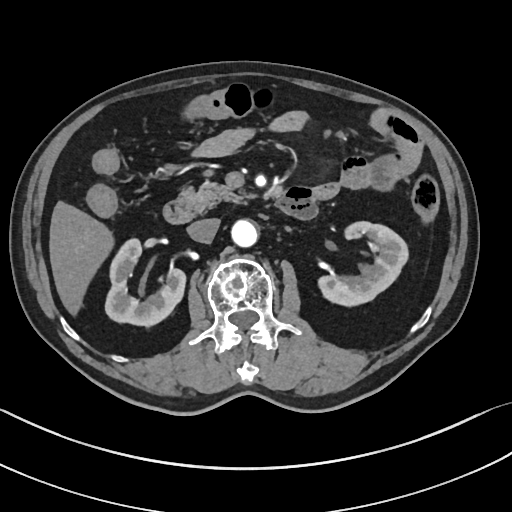

CT abdomen — Axial slice 142/306
Organ boxes in pixel coordinates; each row gives the top-left (x1, y1) and bottom-right (x2, y2) corners.
| organ | x1 | y1 | x2 | y2 |
|---|---|---|---|---|
| liver | 49 | 201 | 114 | 315 |
| left kidney | 318 | 222 | 408 | 306 |
| aorta | 231 | 219 | 257 | 247 |
| duodenum | 163 | 187 | 316 | 224 |
| right kidney | 105 | 239 | 186 | 326 |
| pancreas | 178 | 182 | 252 | 212 |
| inferior vena cava | 187 | 218 | 219 | 242 |